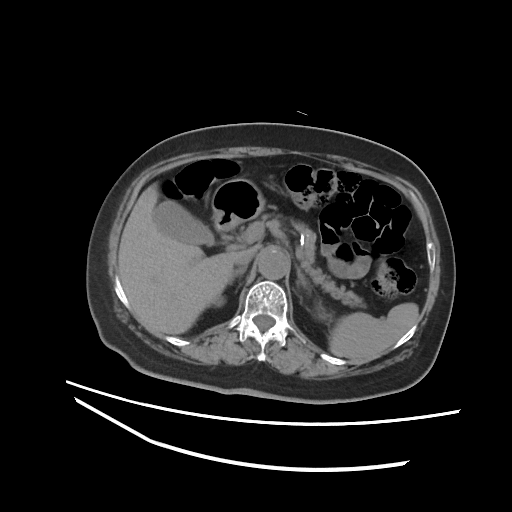

Abdominal CT · Axial slice 66/84 · W/L 400/40 HU
Box edges are left/top/right/bottom in pixels.
liver: left=118, top=184, right=238, bottom=334
pancreas: left=261, top=214, right=359, bottom=302
right adrenal gland: left=229, top=266, right=246, bottom=289
left kidney: left=318, top=310, right=327, bottom=318
inferior vena cava: left=235, top=248, right=256, bottom=266
gall bladder: left=153, top=200, right=214, bottom=245
right kidney: left=214, top=297, right=224, bottom=306
spleen: left=329, top=303, right=418, bottom=360
left adrenal gland: left=296, top=266, right=308, bottom=289
aorta: left=257, top=249, right=288, bottom=279
stomach: left=212, top=178, right=265, bottom=228